CT, abdomen/pelvis · axial view
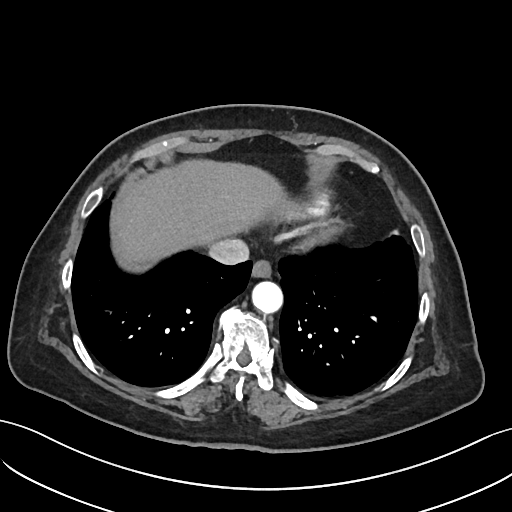

<organs><organ name="liver" x1="116" y1="159" x2="285" y2="263"/><organ name="esophagus" x1="251" y1="260" x2="271" y2="278"/><organ name="inferior vena cava" x1="208" y1="238" x2="248" y2="265"/><organ name="aorta" x1="252" y1="281" x2="282" y2="313"/></organs>